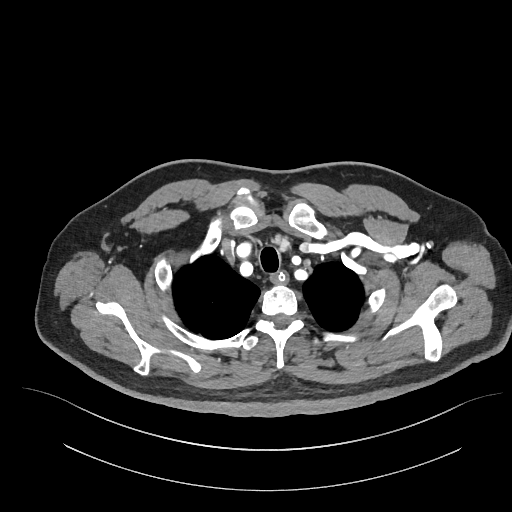

Abdominal CT reaching into the chest; this slice is in the chest · axial view · W/L 400/40 HU
At this level of the chest no structure but the esophagus and the aorta has a label in this dataset, and those two are boxed only where they are labeled.
Boxes are (x1, y1, x2, y2) in pixels.
Organ bounding boxes:
- esophagus: (271, 270, 286, 283)